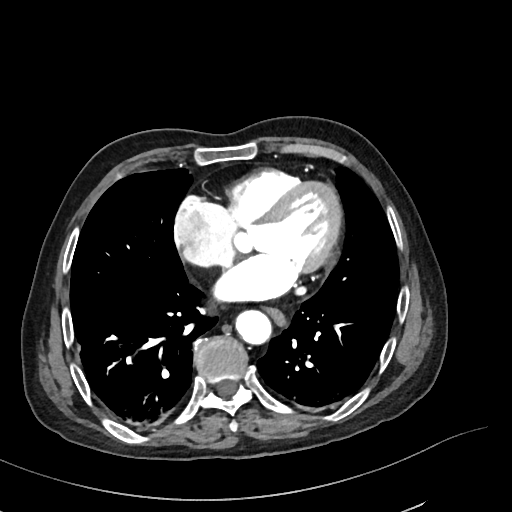
CT of the abdomen reaching into the lower chest, slice just above the liver and spleen — axial view — W/L 400/40 HU
The heart and lungs are never labeled in this dataset, so they have no box on this slice.
<organs><organ name="esophagus" x1="267" y1="308" x2="284" y2="325"/><organ name="aorta" x1="234" y1="309" x2="271" y2="344"/></organs>